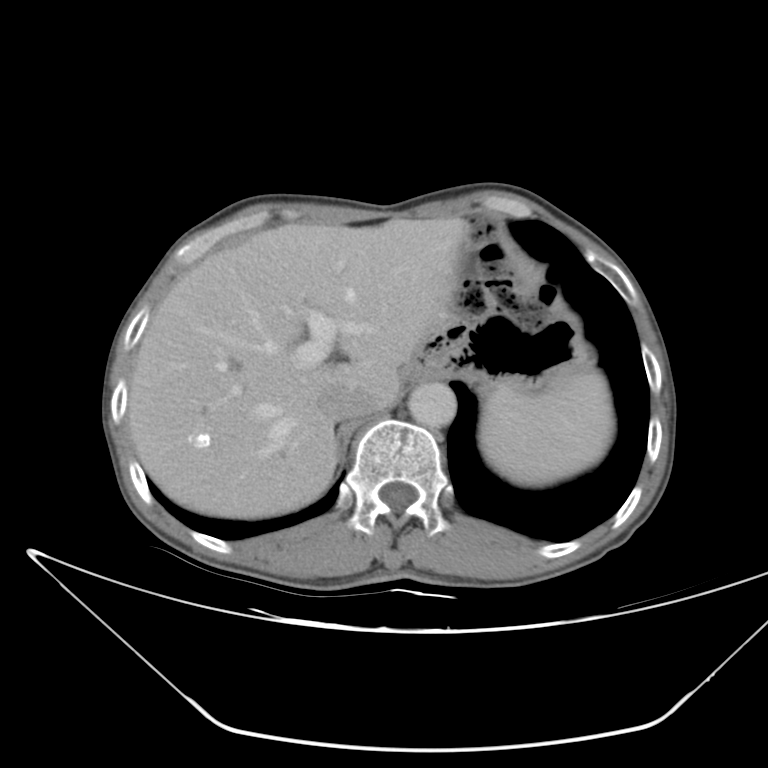
Abdominal CT; Axial slice 49/104; 768x768 px
Bounding boxes as [x1, y1, x2, y2] in pixel coordinates. 5 labeled organs on this slice — spleen at [481, 370, 612, 484]; liver at [129, 214, 471, 517]; stomach at [405, 311, 591, 388]; aorta at [407, 382, 456, 428]; inferior vena cava at [317, 385, 378, 419].